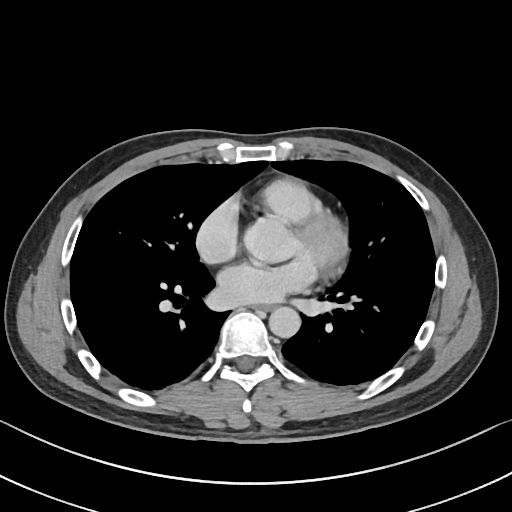 Lower-chest slice from an abdominal CT, just above the liver and spleen · axial view · soft-tissue window (W 400 / L 40)
The heart and lungs are never labeled in this dataset, so they have no box on this slice. Boxes: x1 y1 x2 y2 (pixel coords, space-separated). The annotated organs in this slice are: esophagus at 254 303 273 310, aorta at 269 306 300 337.